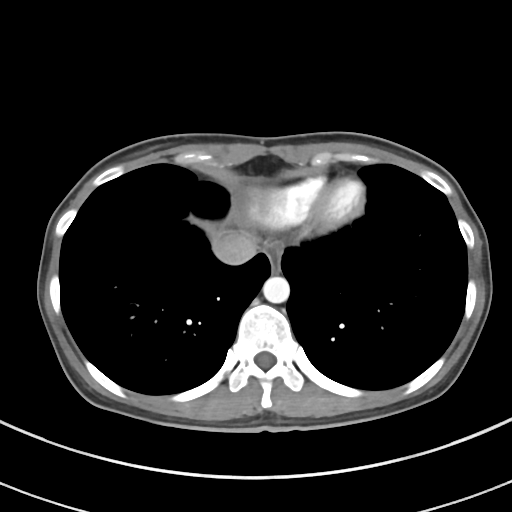 Computed tomography, abdomen; axial view; SOMATOM Force scanner
Coordinates as <box>x1,y1,x2,y2</box> in pixels.
esophagus: <box>264,241,283,271</box>
liver: <box>201,222,254,241</box>
aorta: <box>263,276,289,303</box>
inferior vena cava: <box>212,231,257,265</box>